CT, abdomen/pelvis — axial plane, index 45 — 28-year-old female patient — 15 organs annotated in this scan (that count is for the whole scan; organs this slice misses have no box)
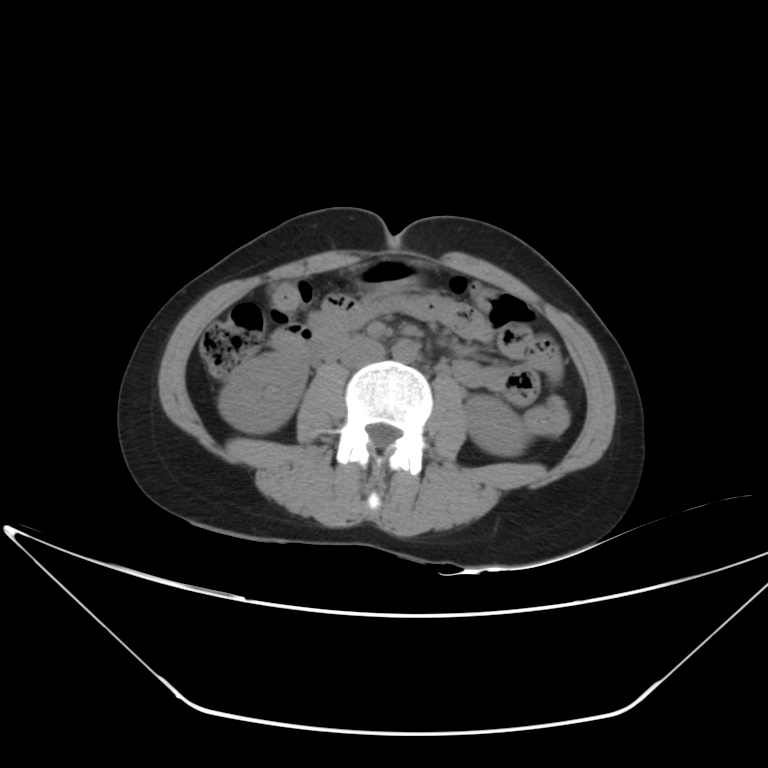
One row per box, in pixels: columns x1 and y1 give the top-left corner, x2 and y2 the bottom-right.
| organ | x1 | y1 | x2 | y2 |
|---|---|---|---|---|
| right kidney | 218 | 350 | 307 | 433 |
| left kidney | 464 | 394 | 529 | 456 |
| stomach | 357 | 257 | 420 | 292 |
| aorta | 392 | 339 | 417 | 362 |
| inferior vena cava | 339 | 337 | 385 | 367 |
| duodenum | 270 | 325 | 346 | 362 |